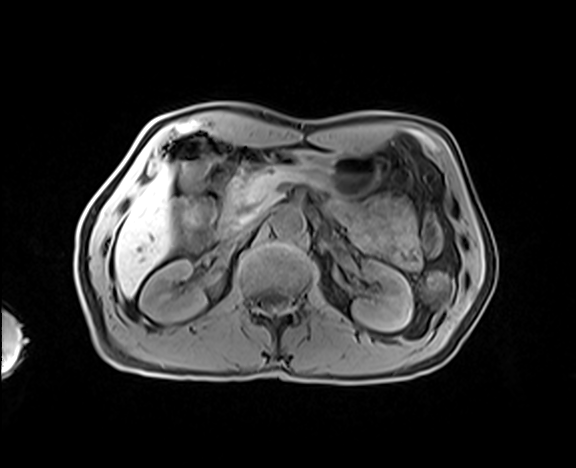

MRI, abdomen — axial view
Organ boxes in pixel coordinates; each row gives the top-left (x1, y1) and bottom-right (x2, y2) corners.
| organ | x1 | y1 | x2 | y2 |
|---|---|---|---|---|
| left kidney | 352 | 260 | 412 | 331 |
| inferior vena cava | 230 | 215 | 260 | 239 |
| stomach | 243 | 151 | 391 | 200 |
| liver | 114 | 164 | 173 | 297 |
| duodenum | 215 | 164 | 249 | 241 |
| right kidney | 139 | 260 | 207 | 321 |
| pancreas | 240 | 169 | 318 | 213 |
| aorta | 273 | 208 | 305 | 238 |